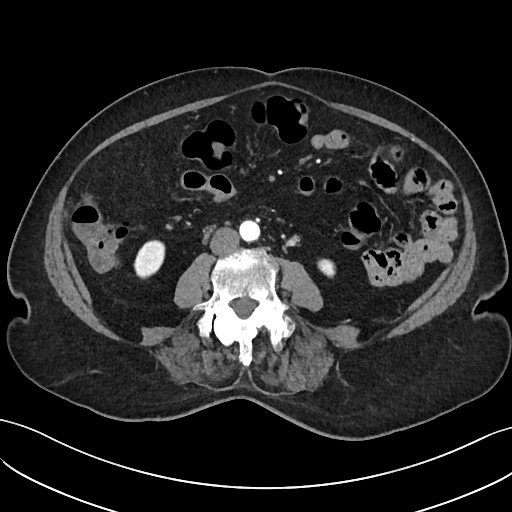 Abdominal CT — axial view
{"organs":{"right kidney":[134,239,164,276],"left kidney":[317,257,334,277],"aorta":[238,219,259,240],"inferior vena cava":[210,227,238,254]}}